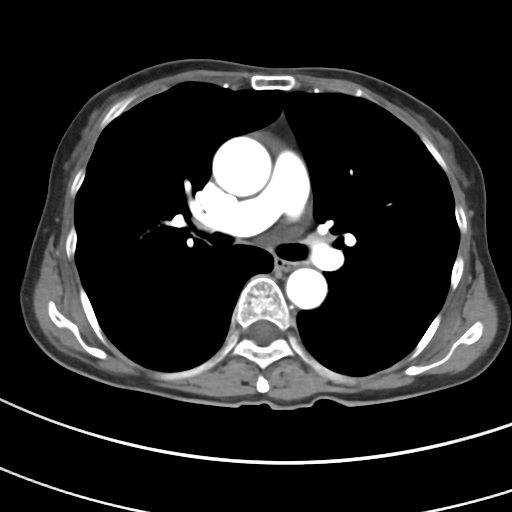

Abdominal CT reaching into the chest; this slice is in the chest. Axial slice 95/118. soft-tissue window (W 400 / L 40). 512x512 px
At this level of the chest this dataset labels only the esophagus and the aorta, and each is boxed only where it is labeled; the heart and lungs are never labeled. Boxes: x1 y1 x2 y2 (pixel coords, space-separated). The annotated organs in this slice are: esophagus at 274 258 296 270, aorta at 212 136 271 196, aorta at 285 268 327 309.